Abdominal MRI — axial view — 1st–99th percentile window — scan has 13 labeled organs (that count is for the whole scan; organs this slice misses have no box)
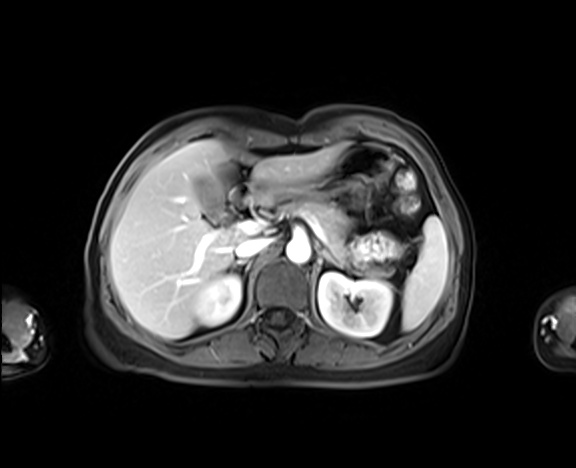

Boxes are (x1, y1, x2, y2) in pixels.
spleen: (402, 216, 448, 330)
right kidney: (193, 273, 241, 325)
left kidney: (318, 273, 392, 337)
gall bladder: (196, 177, 222, 214)
liver: (110, 140, 344, 338)
stomach: (275, 142, 393, 197)
aorta: (286, 239, 310, 264)
inferior vena cava: (234, 237, 270, 258)
pancreas: (287, 199, 349, 262)
right adrenal gland: (233, 261, 246, 267)
left adrenal gland: (321, 249, 343, 267)
duodenum: (231, 184, 261, 207)